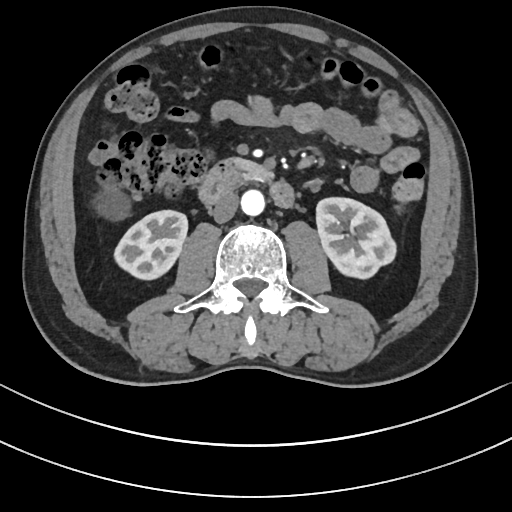 CT abdomen — Axial slice 113/280 — 15 organs annotated in this scan (that count is for the whole scan; organs this slice misses have no box)
<organs><organ name="right kidney" x1="112" y1="211" x2="188" y2="280"/><organ name="left kidney" x1="315" y1="198" x2="397" y2="280"/><organ name="liver" x1="93" y1="190" x2="129" y2="220"/><organ name="aorta" x1="241" y1="191" x2="265" y2="216"/><organ name="inferior vena cava" x1="212" y1="193" x2="238" y2="223"/><organ name="pancreas" x1="228" y1="157" x2="272" y2="181"/><organ name="duodenum" x1="197" y1="161" x2="294" y2="207"/></organs>